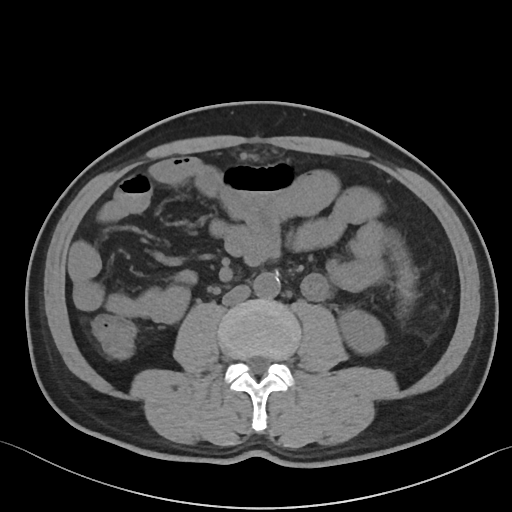
CT abdomen. axial view
{"organs":{"spleen":[392,243,416,302],"left kidney":[339,310,384,353],"aorta":[253,273,279,298],"inferior vena cava":[222,285,250,305]}}